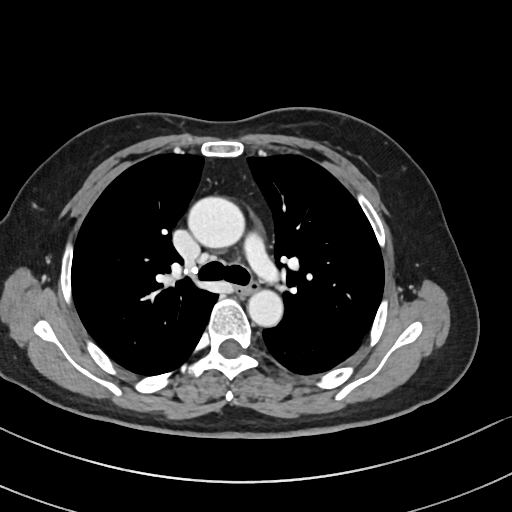

CT of the abdomen extending into the chest, slice through the chest. axial view. 512x512 px. SOMATOM Force scanner. scan has 14 labeled organs (counted over the whole 3D scan, not this slice; an organ is boxed only where this slice passes through it)
At this level of the chest this dataset labels only the esophagus and the aorta, and each is boxed only where it is labeled; the heart and lungs are never labeled.
<organs><organ name="esophagus" x1="238" y1="283" x2="256" y2="295"/><organ name="aorta" x1="186" y1="196" x2="244" y2="248"/><organ name="aorta" x1="247" y1="290" x2="282" y2="327"/></organs>